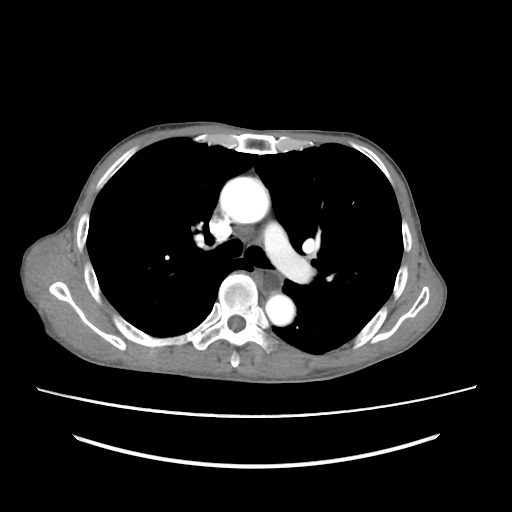 Abdominal CT reaching into the chest; this slice is in the chest — axial view — 512x512 px
At this level of the chest no structure but the esophagus and the aorta has a label in this dataset, and those two are boxed only where they are labeled.
{"organs":{"esophagus":[260,272,282,293],"aorta":[[219,177,269,223],[265,294,295,325]]}}